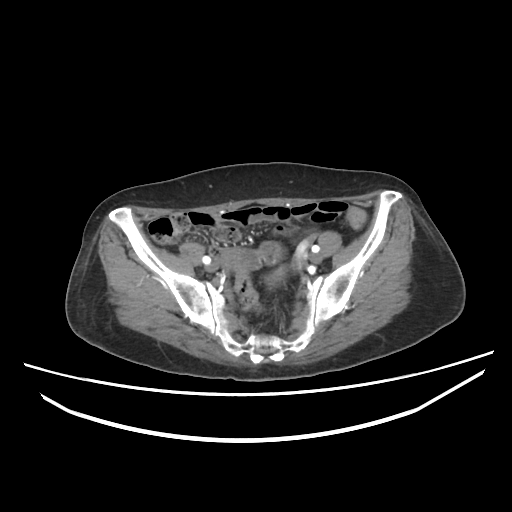
Abdominal CT; axial view; acquired on Aquilion ONE
<organs><organ name="prostate/uterus" x1="268" y1="272" x2="283" y2="287"/></organs>